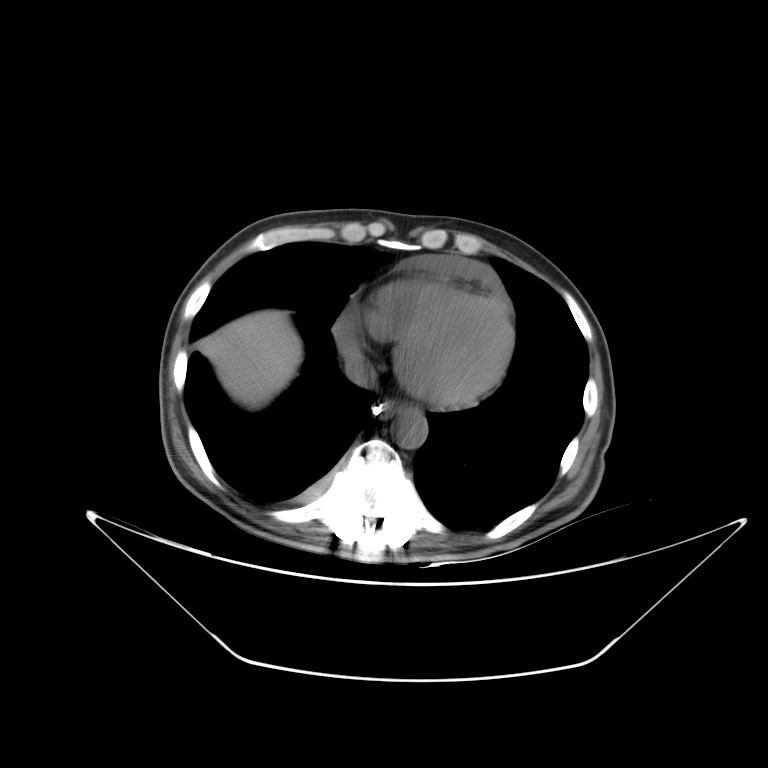 CT abdomen; axial plane, index 93; 768x768 px
Bounding boxes as [x1, y1, x2, y2] in pixel coordinates. Labeled organs on this slice: esophagus at [371, 400, 395, 417], liver at [198, 310, 301, 407], aorta at [393, 409, 427, 448], inferior vena cava at [345, 354, 372, 386].